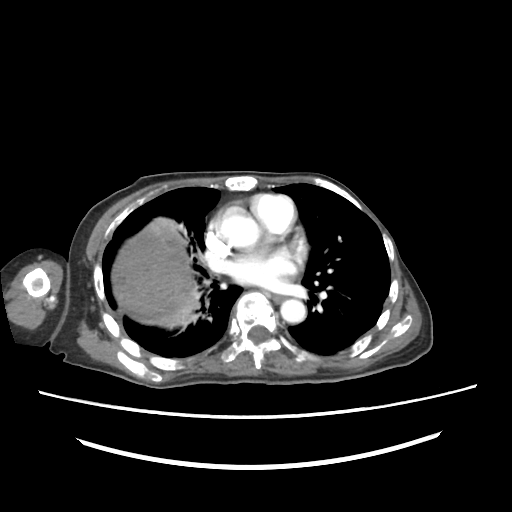
Abdominal CT · axial view · soft-tissue window (W 400 / L 40) · 15 organs annotated in this scan (that count is for the whole scan; organs this slice misses have no box)
Boxes are (x1, y1, x2, y2) in pixels.
liver: (111, 217, 195, 328)
esophagus: (272, 295, 284, 303)
aorta: (219, 212, 260, 248)
aorta: (280, 299, 306, 323)